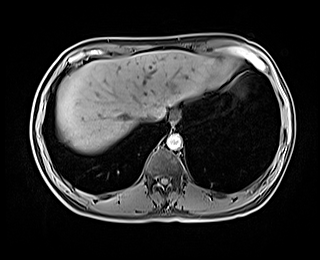

MRI, abdomen; axial view; 320x260 px
{"organs":{"liver":[56,50,231,153],"inferior vena cava":[140,113,156,122],"esophagus":[169,112,179,124],"aorta":[167,133,182,149]}}